Abdominal CT. axial view. abdomen soft-tissue window. 56-year-old male patient. acquired on Brilliance16. 15 organs annotated in this scan (counted over the whole 3D scan, not this slice; an organ is boxed only where this slice passes through it)
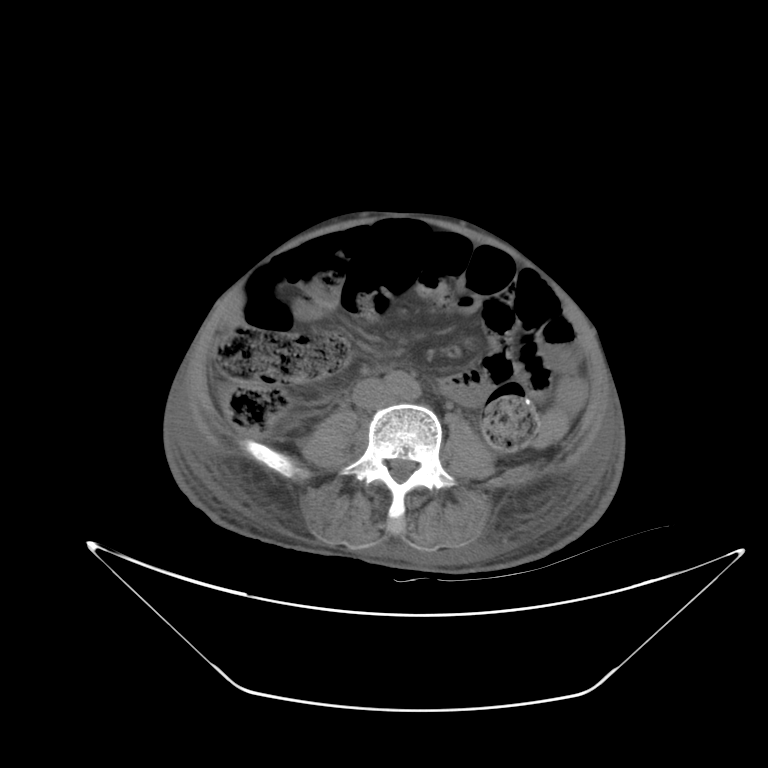

Boxes: x1 y1 x2 y2 (pixel coords, space-separated).
Organ bounding boxes:
- aorta: 384 371 420 400
- inferior vena cava: 352 378 394 409